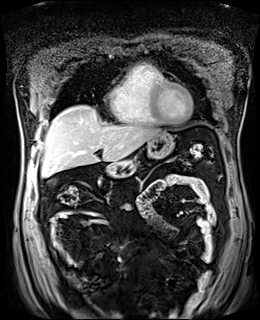
Abdominal MRI · coronal view · percentile-normalized
Coordinates as <box>x1,y1,x2,y2</box> in pixels. The annotated organs in this slice are: gall bladder at <box>51,180,54,182</box>, liver at <box>42,105,161,177</box>, stomach at <box>104,132,174,177</box>.